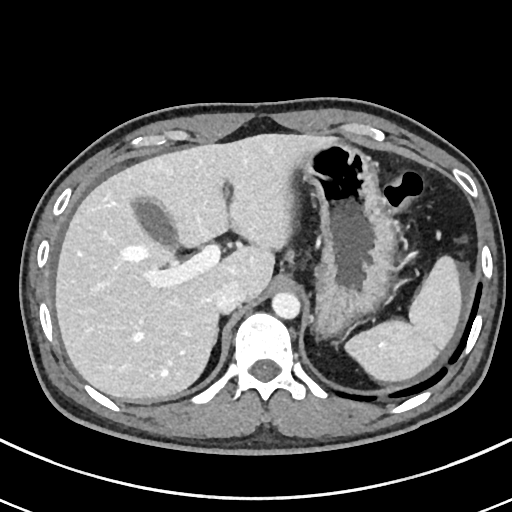
Abdominal CT · axial view
Box edges are left/top/right/bottom in pixels. 6 labeled organs on this slice — spleen at left=345, top=255, right=462, bottom=381; gall bladder at left=133, top=197, right=179, bottom=250; liver at left=55, top=134, right=337, bottom=401; stomach at left=297, top=142, right=396, bottom=337; aorta at left=271, top=292, right=300, bottom=319; inferior vena cava at left=214, top=280, right=245, bottom=313.